Abdominal CT; this slice is in the lower chest, just above the liver — axial view — SOMATOM Force scanner
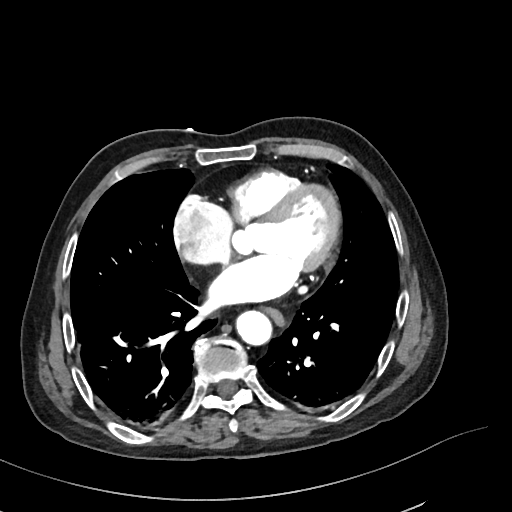 Of the structures in the chest, this dataset labels only the esophagus, the aorta and the inferior vena cava; the heart and lungs have no label.
Boxes: x1 y1 x2 y2 (pixel coords, space-separated).
esophagus: 264 308 284 326
aorta: 236 311 272 346